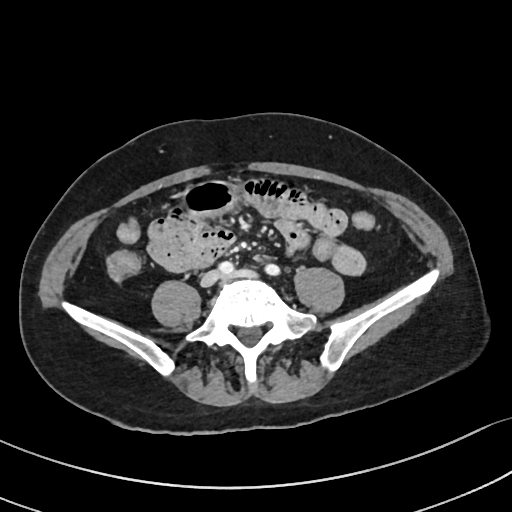
CT abdomen · axial view · acquired on SOMATOM Force
Boxes are (x1, y1, x2, y2) in pixels. 1 labeled organ on this slice — stomach at (180, 181, 238, 216).